Abdominal MR; axial plane, index 56
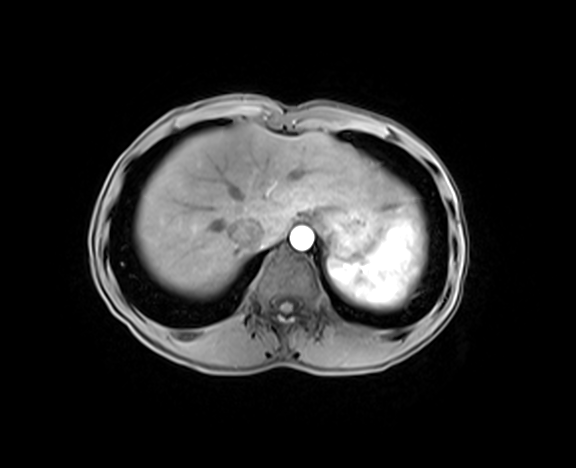

Coordinates as <box>x1,y1,x2,y2</box> in pixels.
stomach: <box>313,202,385,257</box>
aorta: <box>290,226,313,250</box>
inferior vena cava: <box>227,217,265,248</box>
liver: <box>135,123,397,295</box>
spleen: <box>327,190,425,307</box>